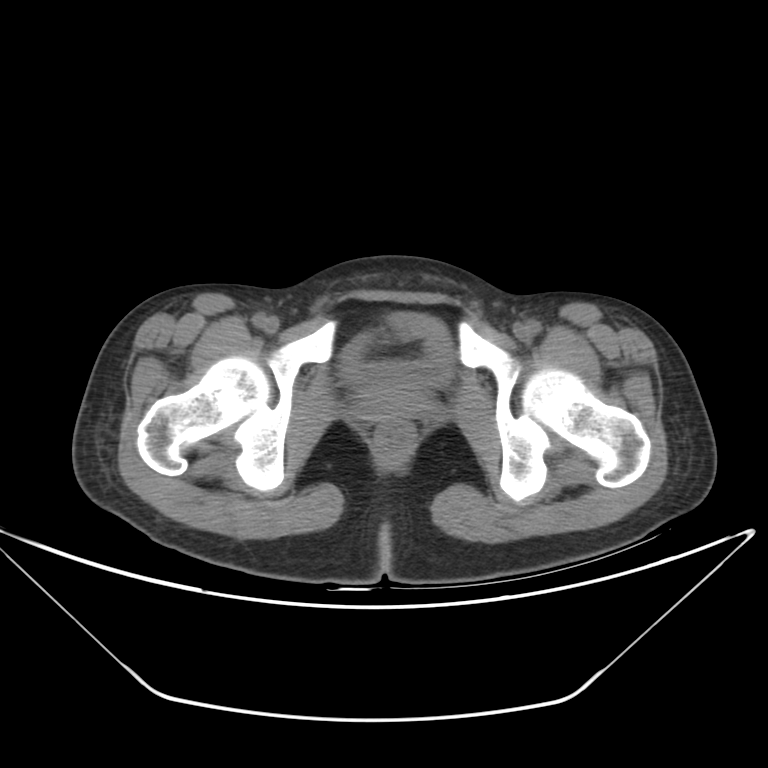
Computed tomography, abdomen · axial view · W/L 400/40 HU · 768x768 px · 32-year-old female patient
Box edges are left/top/right/bottom in pixels.
Organ bounding boxes:
- bladder: left=343, top=314, right=452, bottom=384
- prostate/uterus: left=358, top=376, right=424, bottom=417